Chest-level CT slice, above the liver and spleen; axial plane, index 234; 15 organs annotated in this scan (a whole-scan count: organs this slice does not pass through have no box)
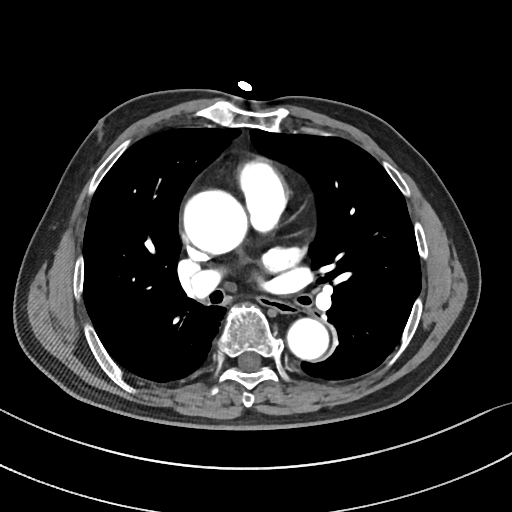

At this level of the chest no structure but the esophagus and the aorta has a label in this dataset, and those two are boxed only where they are labeled.
Bounding boxes as [x1, y1, x2, y2] in pixel coordinates.
esophagus: [261, 298, 293, 312]
aorta: [183, 190, 247, 254]
aorta: [287, 318, 328, 360]